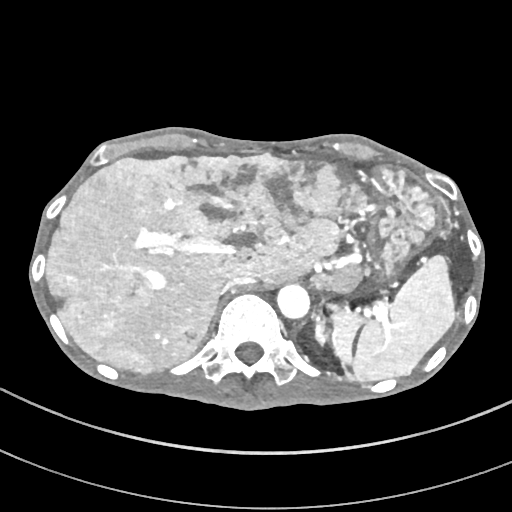 Abdominal CT. Axial slice 170/218. 512x512 px. scan has 15 labeled organs (a whole-scan count: organs this slice does not pass through have no box)
Boxes: x1 y1 x2 y2 (pixel coords, space-separated).
stomach: 371 165 441 274
liver: 46 153 371 373
left adrenal gland: 314 316 325 347
aorta: 277 284 309 318
spleen: 332 255 455 381
inferior vena cava: 220 275 255 293